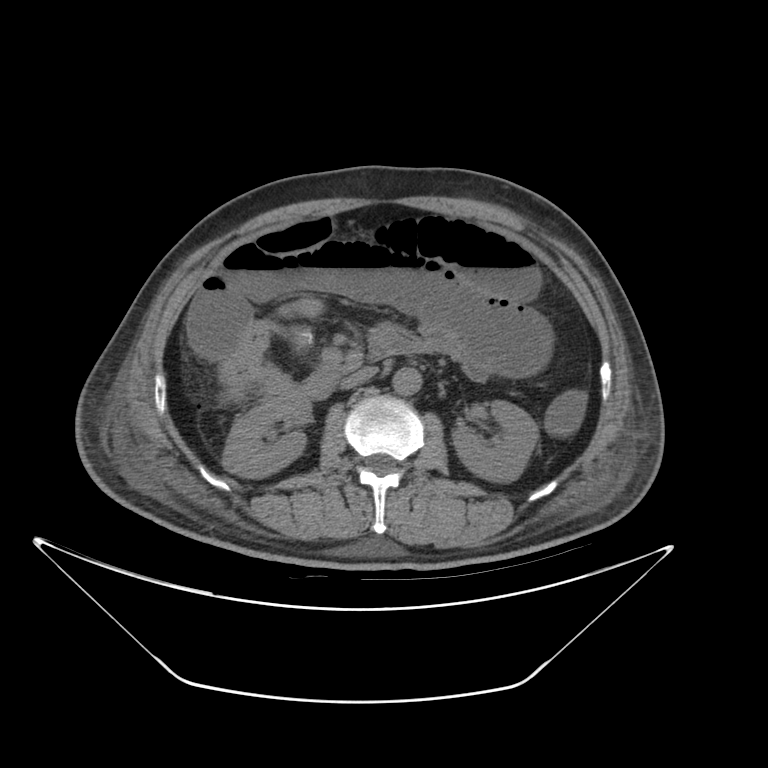 CT abdomen; axial plane, index 61; 768x768 px; 66-year-old male patient
Bounding boxes as [x1, y1, x2, y2] in pixel coordinates.
right kidney: [223, 394, 308, 474]
inferior vena cava: [336, 366, 375, 390]
duodenum: [303, 325, 420, 400]
aorta: [393, 367, 421, 395]
left kidney: [449, 400, 535, 481]